Computed tomography, abdomen · Axial slice 147/333 · W/L 400/40 HU · 512x512 px · 15 organs annotated in this scan (that count is for the whole scan; organs this slice misses have no box)
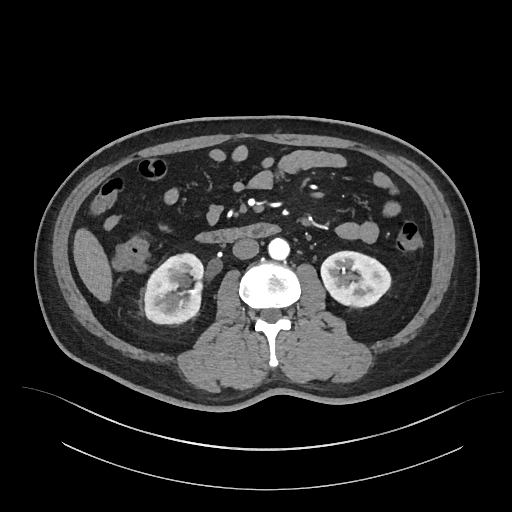

Boxes are (x1, y1, x2, y2) in pixels. Labeled organs on this slice: liver at (73, 228, 112, 302), aorta at (268, 238, 289, 259), inferior vena cava at (232, 238, 259, 259), duodenum at (196, 223, 280, 242), right kidney at (144, 253, 203, 323), left kidney at (321, 251, 390, 306).